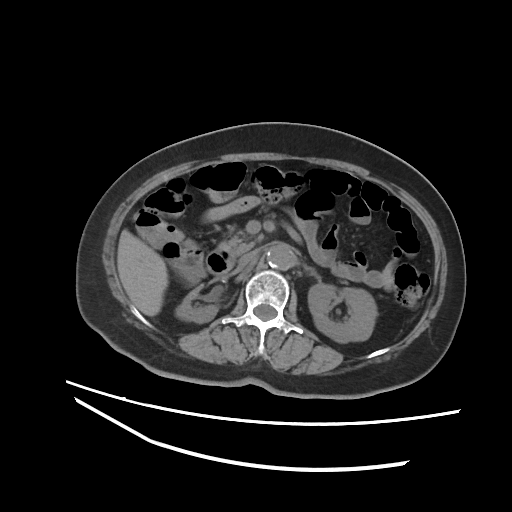
CT, abdomen/pelvis. axial view
Organ boxes in pixel coordinates; each row gives the top-left (x1, y1) and bottom-right (x2, y2) corners.
| organ | x1 | y1 | x2 | y2 |
|---|---|---|---|---|
| right kidney | 175 | 291 | 218 | 323 |
| left kidney | 308 | 283 | 377 | 342 |
| liver | 117 | 229 | 167 | 316 |
| aorta | 267 | 244 | 294 | 269 |
| inferior vena cava | 238 | 248 | 261 | 265 |
| pancreas | 220 | 227 | 263 | 255 |
| left adrenal gland | 305 | 266 | 318 | 279 |
| duodenum | 206 | 247 | 235 | 274 |